Abdominal CT. Axial slice 200/213. 15 organs annotated in this scan (a whole-scan count: organs this slice does not pass through have no box)
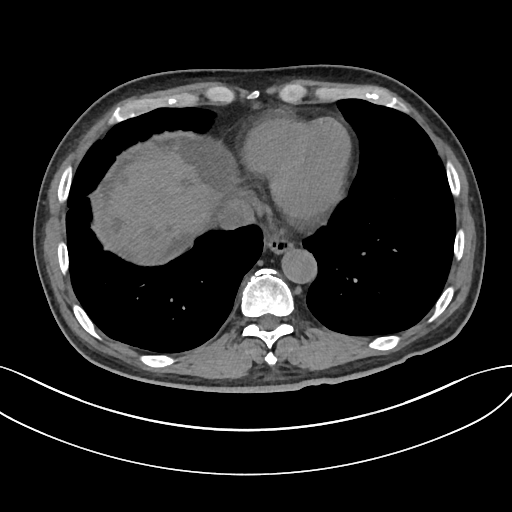

<organs><organ name="esophagus" x1="264" y1="237" x2="293" y2="253"/><organ name="liver" x1="103" y1="139" x2="238" y2="264"/><organ name="aorta" x1="281" y1="248" x2="316" y2="283"/><organ name="inferior vena cava" x1="216" y1="197" x2="254" y2="230"/></organs>